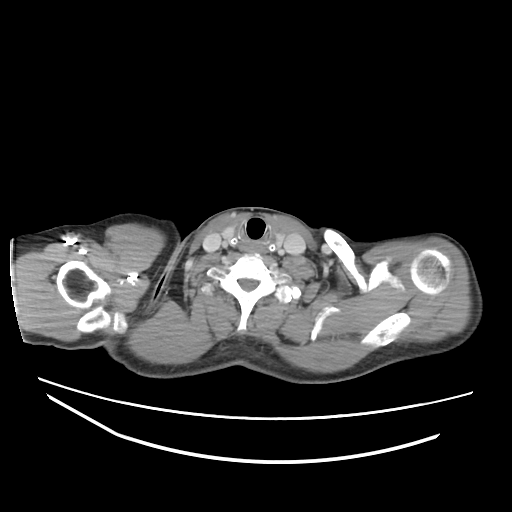 Chest-level CT slice, above the liver and spleen — Axial slice 128/128 — 54-year-old male patient — scan has 15 labeled organs (that count is for the whole scan; organs this slice misses have no box)
At this level of the chest this dataset labels only the esophagus and the aorta, and each is boxed only where it is labeled; the heart and lungs are never labeled.
<organs><organ name="esophagus" x1="245" y1="241" x2="260" y2="253"/></organs>